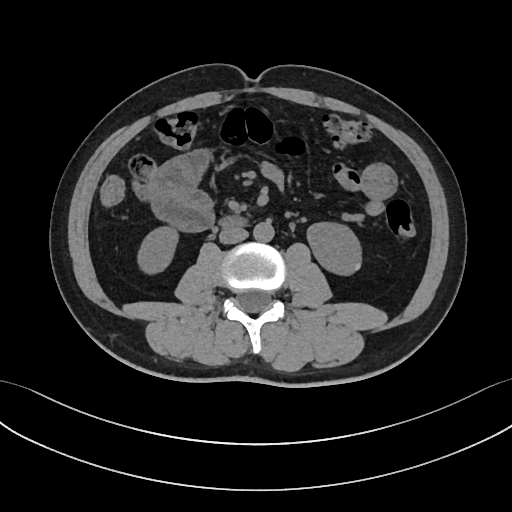 CT abdomen. axial view. 512x512 px
Bounding boxes as [x1, y1, x2, y2] in pixel coordinates.
Organ bounding boxes:
- right kidney: [138, 227, 178, 273]
- left kidney: [307, 222, 361, 274]
- aorta: [253, 220, 274, 242]
- inferior vena cava: [219, 226, 248, 243]
- duodenum: [222, 217, 244, 226]